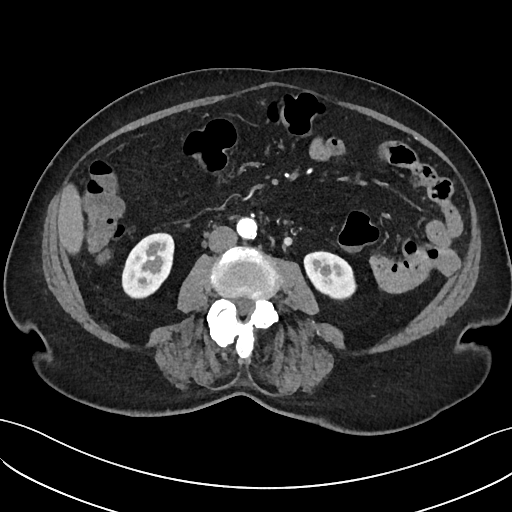

CT abdomen · Axial slice 102/276 · scan has 15 labeled organs (counted over the whole 3D scan, not this slice; an organ is boxed only where this slice passes through it)
Organ boxes in pixel coordinates; each row gives the top-left (x1, y1) and bottom-right (x2, y2) corners.
| organ | x1 | y1 | x2 | y2 |
|---|---|---|---|---|
| left kidney | 304 | 252 | 355 | 299 |
| inferior vena cava | 208 | 226 | 237 | 252 |
| liver | 57 | 184 | 83 | 253 |
| right kidney | 122 | 233 | 174 | 298 |
| aorta | 236 | 217 | 256 | 238 |